Chest-level CT slice, above the liver and spleen · axial view · W/L 400/40 HU · 15 organs annotated in this scan (that count is for the whole scan; organs this slice misses have no box)
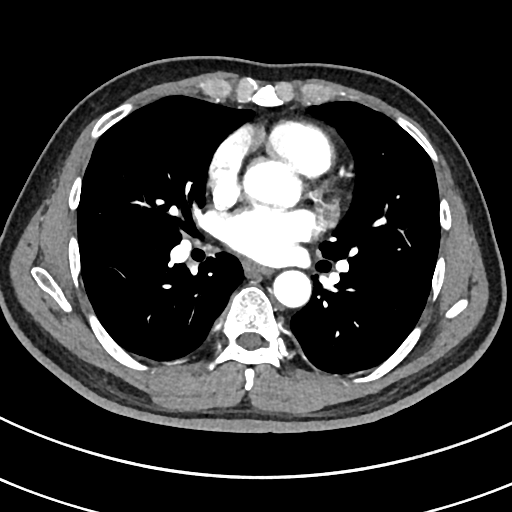
At this level of the chest no structure but the esophagus and the aorta has a label in this dataset, and those two are boxed only where they are labeled.
Bounding boxes in pixels, one row per box: x1, y1 is the top-left corner and x2, y2 the bottom-right.
| organ | x1 | y1 | x2 | y2 |
|---|---|---|---|---|
| esophagus | 243 | 262 | 269 | 275 |
| aorta | 273 | 269 | 311 | 306 |